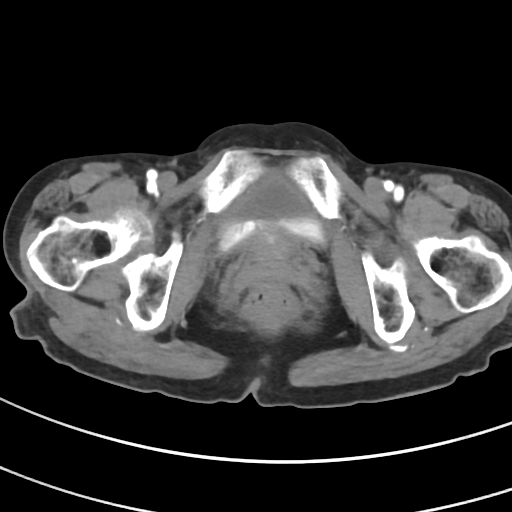

CT abdomen · axial view · 512x512 px
<organs><organ name="bladder" x1="218" y1="171" x2="326" y2="250"/></organs>